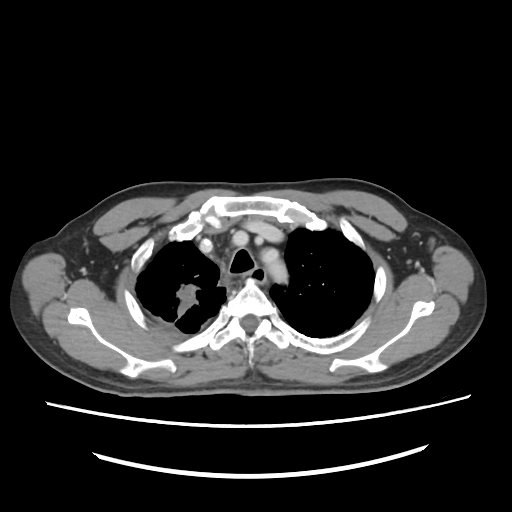
CT of the abdomen extending into the chest, slice through the chest; Axial slice 112/126; W/L 400/40 HU; 512x512 px; 45-year-old male patient; 15 organs annotated in this scan (a whole-scan count: organs this slice does not pass through have no box)
At this level of the chest no structure but the esophagus and the aorta has a label in this dataset, and those two are boxed only where they are labeled.
Boxes: x1 y1 x2 y2 (pixel coords, space-separated).
Organ bounding boxes:
- aorta: 259 246 288 282